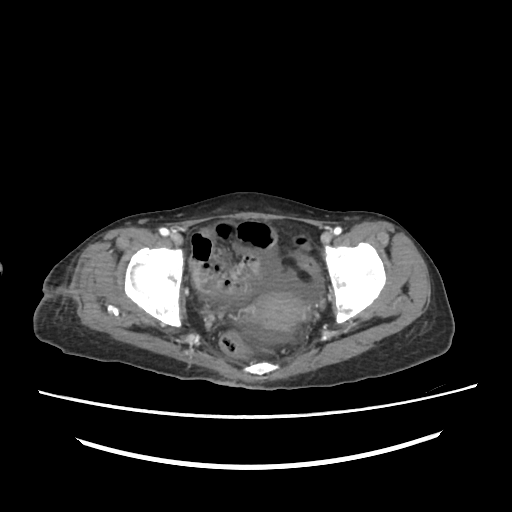
CT, abdomen/pelvis — axial plane, index 13 — W/L 400/40 HU
Boxes: x1:y1:x2:y2 in pixels.
Organ bounding boxes:
- prostate/uterus: 249:292:307:330